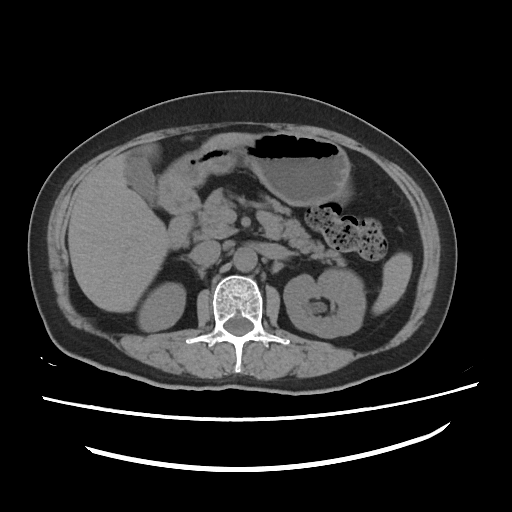
Computed tomography, abdomen · axial view · abdomen soft-tissue window · 512x512 px · 61-year-old female patient
Boxes are (x1, y1, x2, y2) in pixels. 10 labeled organs on this slice — liver at (68, 132, 254, 312); duodenum at (167, 212, 193, 248); right kidney at (140, 284, 185, 331); stomach at (157, 131, 350, 212); aorta at (233, 247, 257, 271); left kidney at (283, 269, 365, 338); spleen at (372, 252, 411, 314); inferior vena cava at (189, 240, 220, 266); gall bladder at (125, 156, 156, 205); pancreas at (193, 189, 345, 265).